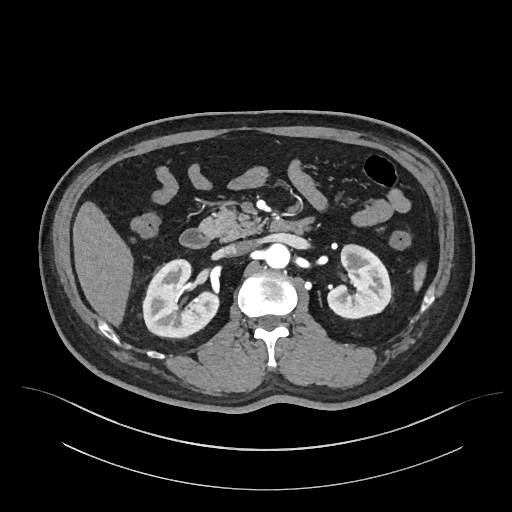
CT, abdomen/pelvis — axial view — soft-tissue window (W 400 / L 40)
Boxes: x1:y1:x2:y2 in pixels.
Organ bounding boxes:
- spleen: 413:262:426:290
- right kidney: 143:259:218:337
- left kidney: 327:244:391:318
- liver: 73:201:133:326
- aorta: 264:243:290:268
- inferior vena cava: 223:241:253:255
- pancreas: 199:204:263:241
- duodenum: 179:217:313:248